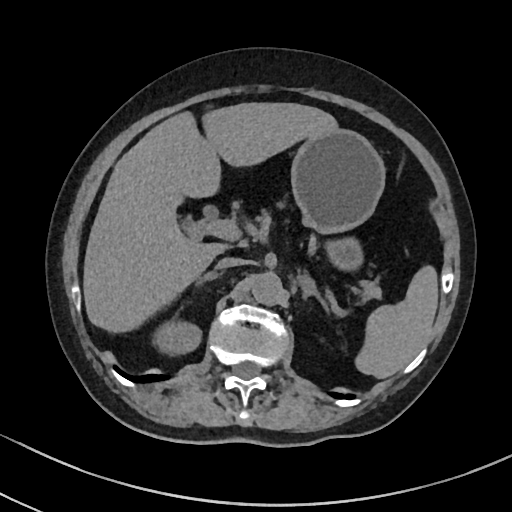

CT abdomen. Axial slice 153/202. 512x512 px. acquired on SOMATOM Force
{"organs":{"spleen":[356,266,438,379],"right kidney":[157,322,199,351],"liver":[83,103,339,332],"stomach":[290,130,385,268],"aorta":[251,273,283,305],"inferior vena cava":[216,255,243,268],"pancreas":[259,219,380,296],"right adrenal gland":[199,271,223,282],"left adrenal gland":[299,276,329,315]}}